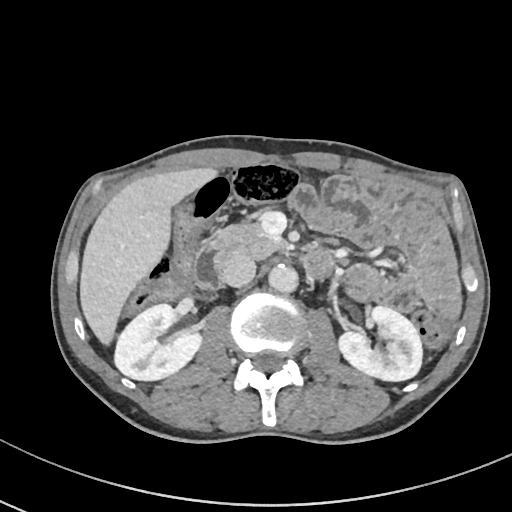

CT abdomen — axial plane, index 141 — soft-tissue window (W 400 / L 40) — SOMATOM Force scanner
Bounding boxes as [x1, y1, x2, y2] in pixel coordinates.
Organ bounding boxes:
- right kidney: [114, 304, 201, 380]
- left kidney: [338, 306, 422, 381]
- liver: [80, 167, 217, 344]
- aorta: [268, 264, 298, 293]
- inferior vena cava: [221, 253, 256, 287]
- pancreas: [212, 222, 283, 258]
- duodenum: [194, 243, 334, 288]